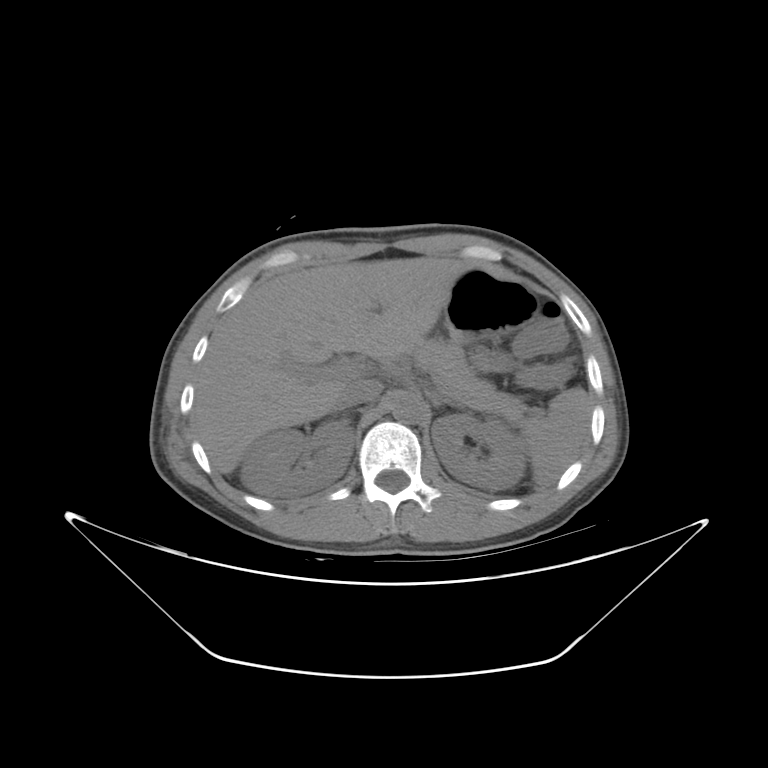

CT, abdomen/pelvis; axial view; soft-tissue window (W 400 / L 40)
Bounding boxes in pixels, one row per box: x1, y1 is the top-left corner and x2, y2 the bottom-right.
| organ | x1 | y1 | x2 | y2 |
|---|---|---|---|---|
| right kidney | 240 | 421 | 354 | 496 |
| pancreas | 422 | 338 | 526 | 420 |
| stomach | 444 | 268 | 536 | 344 |
| spleen | 520 | 387 | 591 | 485 |
| aorta | 391 | 392 | 425 | 423 |
| liver | 195 | 257 | 486 | 474 |
| left kidney | 431 | 414 | 525 | 490 |
| left adrenal gland | 427 | 392 | 462 | 408 |
| inferior vena cava | 337 | 379 | 383 | 408 |